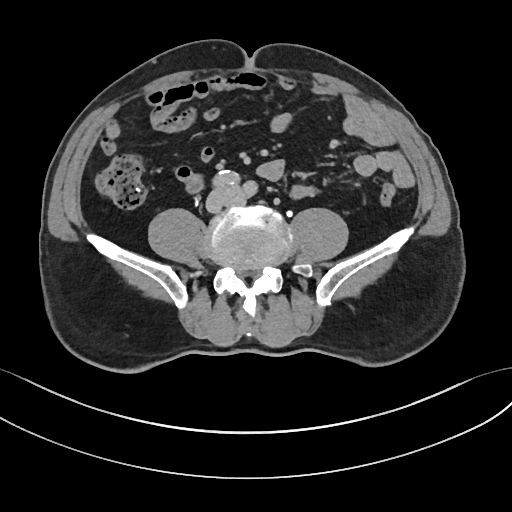
Abdominal CT · axial view · abdomen soft-tissue window · scan has 15 labeled organs (a whole-scan count: organs this slice does not pass through have no box)
<organs><organ name="duodenum" x1="186" y1="175" x2="201" y2="192"/></organs>